CT of the abdomen extending into the chest, slice through the chest — axial view — W/L 400/40 HU — scan has 14 labeled organs (a whole-scan count: organs this slice does not pass through have no box)
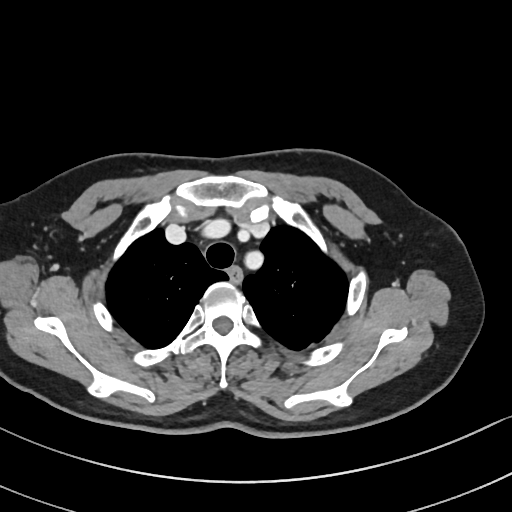

At this level of the chest no structure but the esophagus and the aorta has a label in this dataset, and those two are boxed only where they are labeled.
Box edges are left/top/right/bottom in pixels.
Organ bounding boxes:
- esophagus: left=229, top=268, right=240, bottom=279